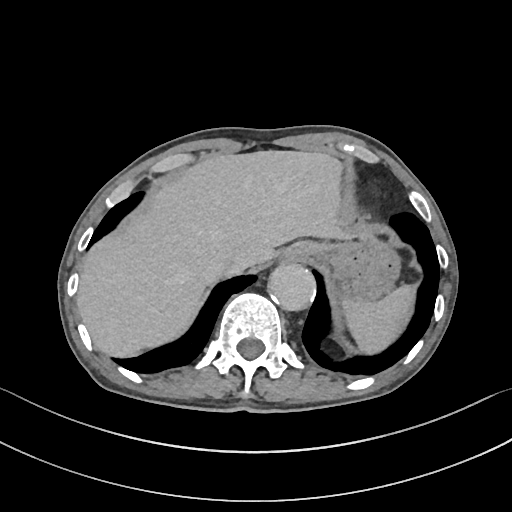

CT, abdomen/pelvis; axial view
<organs><organ name="stomach" x1="309" y1="233" x2="400" y2="300"/><organ name="aorta" x1="267" y1="263" x2="315" y2="311"/><organ name="liver" x1="76" y1="150" x2="351" y2="357"/><organ name="spleen" x1="341" y1="285" x2="414" y2="354"/><organ name="esophagus" x1="278" y1="243" x2="312" y2="263"/><organ name="inferior vena cava" x1="209" y1="252" x2="245" y2="273"/></organs>